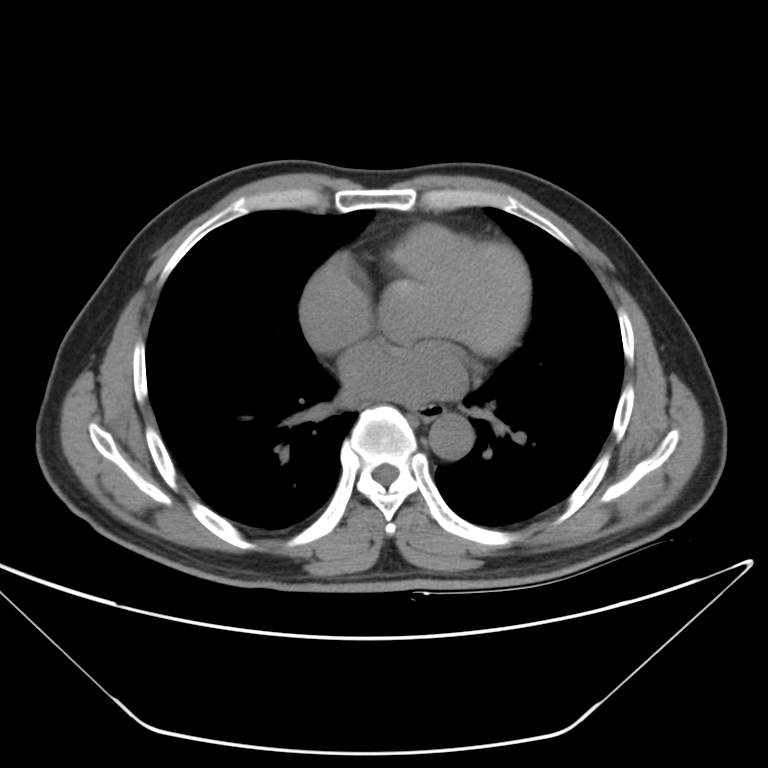 Abdominal CT; this slice is in the lower chest, just above the liver. Axial slice 109/112. acquired on Brilliance16. 15 organs annotated in this scan (that count is for the whole scan; organs this slice misses have no box)
No part of the heart or lungs is labeled in this dataset, so neither has a box here. Box edges are left/top/right/bottom in pixels. 2 labeled organs on this slice — esophagus at left=414, top=399, right=445, bottom=420; aorta at left=430, top=416, right=469, bottom=457.